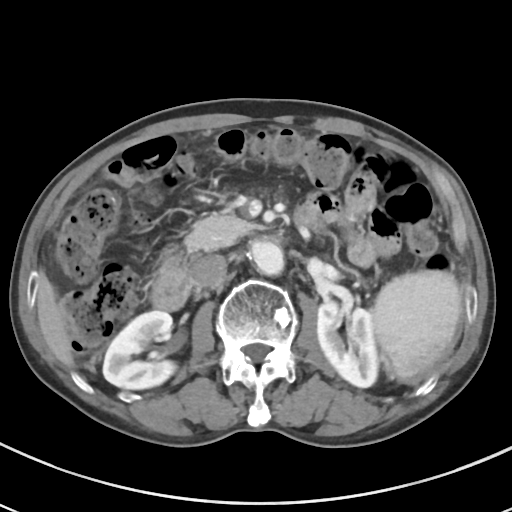

CT abdomen. axial plane, index 55. soft-tissue window. 15 organs annotated in this scan (a whole-scan count: organs this slice does not pass through have no box)
Box edges are left/top/right/bottom in pixels. The annotated organs in this slice are: spleen at left=371, top=270, right=462, bottom=383, right kidney at left=103, top=310, right=175, bottom=389, left kidney at left=317, top=300, right=378, bottom=387, liver at left=37, top=274, right=73, bottom=366, aorta at left=250, top=240, right=284, bottom=275, inferior vena cava at left=190, top=254, right=226, bottom=287, pancreas at left=184, top=210, right=256, bottom=251, duodenum at left=151, top=204, right=321, bottom=310.